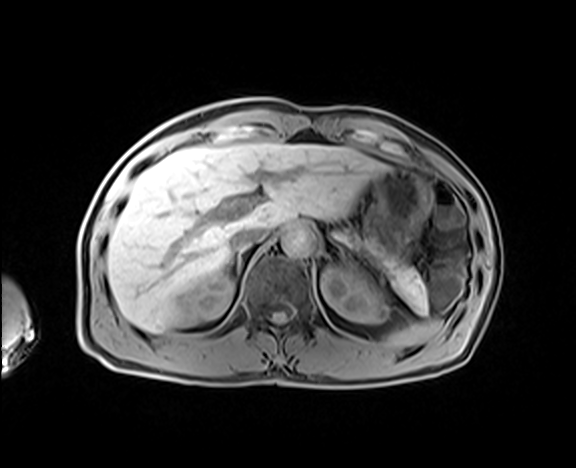

Magnetic resonance imaging, abdomen. axial plane, index 40
<organs><organ name="spleen" x1="387" y1="319" x2="440" y2="347"/><organ name="right kidney" x1="180" y1="274" x2="233" y2="324"/><organ name="left kidney" x1="321" y1="265" x2="389" y2="326"/><organ name="liver" x1="107" y1="143" x2="386" y2="332"/><organ name="stomach" x1="365" y1="168" x2="432" y2="258"/><organ name="aorta" x1="281" y1="226" x2="313" y2="256"/><organ name="inferior vena cava" x1="230" y1="226" x2="268" y2="248"/><organ name="pancreas" x1="371" y1="245" x2="427" y2="319"/><organ name="right adrenal gland" x1="228" y1="247" x2="244" y2="274"/></organs>